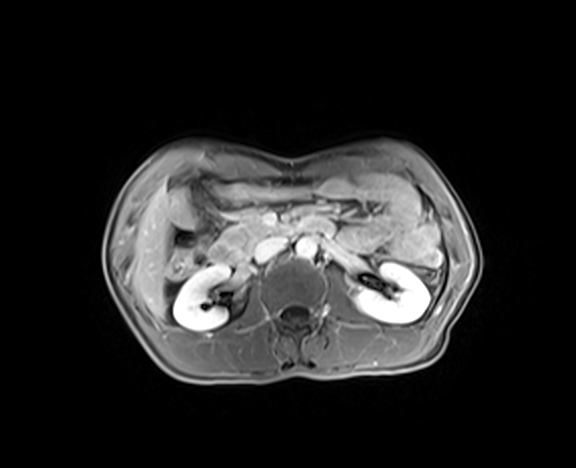
Magnetic resonance imaging, abdomen — axial view — 1st–99th percentile window — acquired on Prisma — scan has 13 labeled organs (a whole-scan count: organs this slice does not pass through have no box)
Each box given as x1,y1,x2,y2. The annotated organs in this slice are: pancreas at x1=221, y1=209, x2=284, y2=257, duodenum at x1=208, y1=219, x2=319, y2=262, aorta at x1=296, y1=237, x2=316, y2=259, left kidney at x1=354, y1=263, x2=430, y2=323, right kidney at x1=172, y1=264, x2=231, y2=330, inferior vena cava at x1=252, y1=235, x2=287, y2=262, liver at x1=133, y1=185, x2=171, y2=318.